Chest-level slice from an abdominal CT that extends up into the chest. Axial slice 96/124
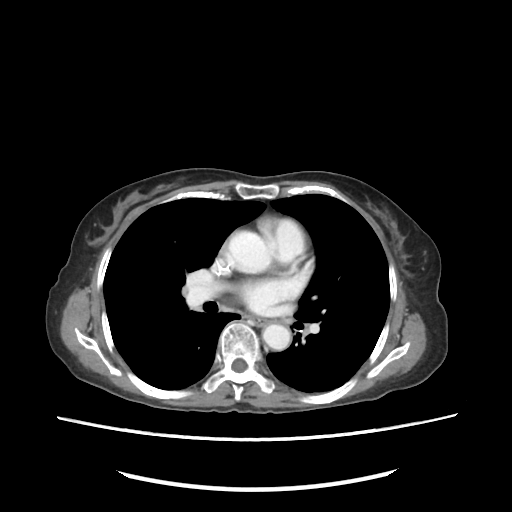
On a slice this high in the chest, this dataset labels only the esophagus and the aorta, and each is boxed only where it is labeled; the heart, lungs and other chest structures are not labeled.
{"organs":{"aorta":[[227,230,269,273],[262,324,290,350]],"esophagus":[253,317,259,322]}}